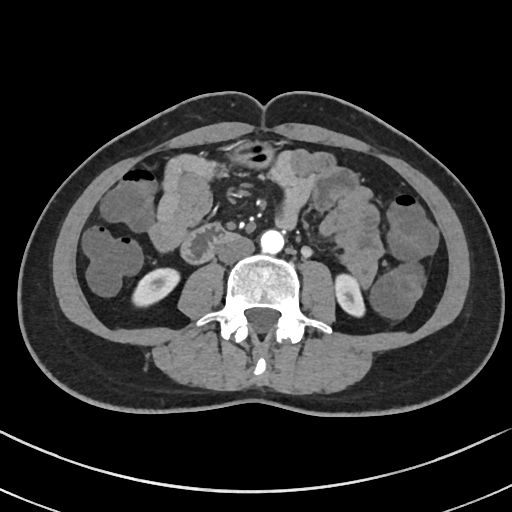 Computed tomography, abdomen · axial view
{"organs":{"right kidney":[132,268,179,307],"left kidney":[335,274,364,316],"stomach":[236,141,273,166],"aorta":[260,229,284,253],"inferior vena cava":[218,236,254,263],"duodenum":[181,224,238,263]}}